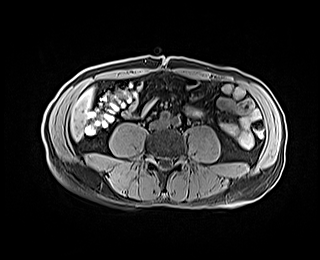
Abdominal MR — axial plane, index 11 — percentile-normalized
Each box given as x1,y1,x2,y2.
liver: x1=70, y1=88, x2=93, y2=140